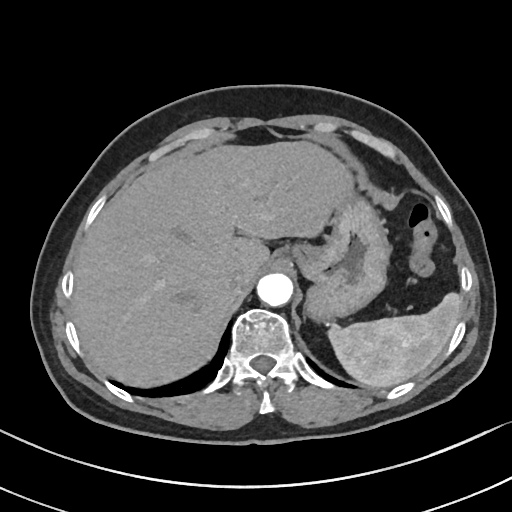
CT abdomen — axial view
{"organs":{"spleen":[326,293,461,387],"liver":[73,142,353,385],"stomach":[281,198,391,321],"aorta":[257,272,293,306],"inferior vena cava":[224,265,253,288]}}